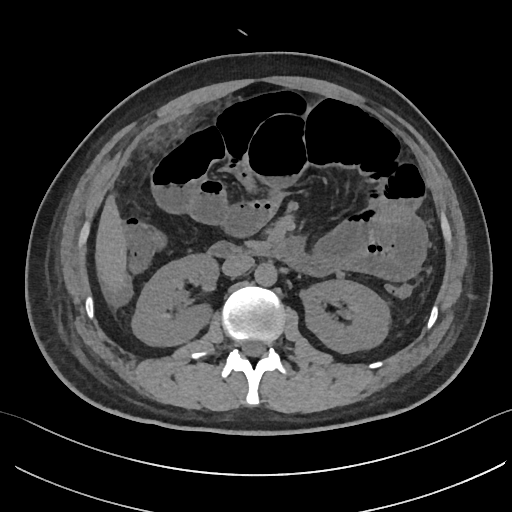

CT abdomen — Axial slice 146/234 — soft-tissue window — 15 organs annotated in this scan (counted over the whole 3D scan, not this slice; an organ is boxed only where this slice passes through it)
Bounding boxes as [x1, y1, x2, y2] in pixel coordinates. Labeled organs on this slice: left kidney at [300, 280, 390, 353], pancreas at [247, 242, 265, 248], liver at [95, 195, 128, 295], inferior vena cava at [222, 254, 254, 276], duodenum at [207, 235, 303, 264], right kidney at [131, 254, 217, 346], aorta at [254, 263, 277, 286].